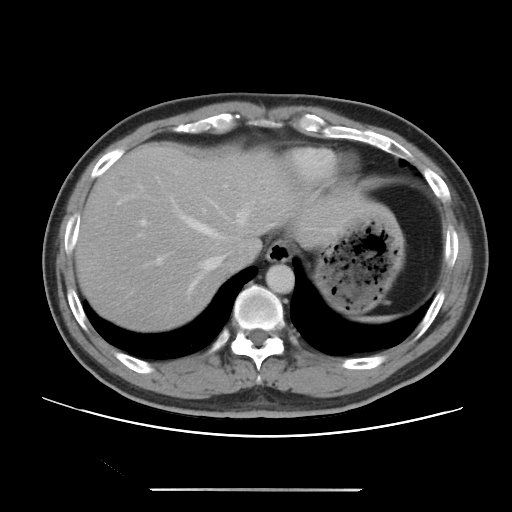

CT abdomen — Axial slice 87/131 — soft-tissue window (W 400 / L 40)
<organs><organ name="spleen" x1="359" y1="316" x2="394" y2="322"/><organ name="stomach" x1="314" y1="215" x2="404" y2="315"/><organ name="inferior vena cava" x1="221" y1="244" x2="260" y2="272"/><organ name="liver" x1="75" y1="146" x2="395" y2="332"/><organ name="esophagus" x1="266" y1="239" x2="292" y2="262"/><organ name="aorta" x1="265" y1="264" x2="294" y2="293"/></organs>